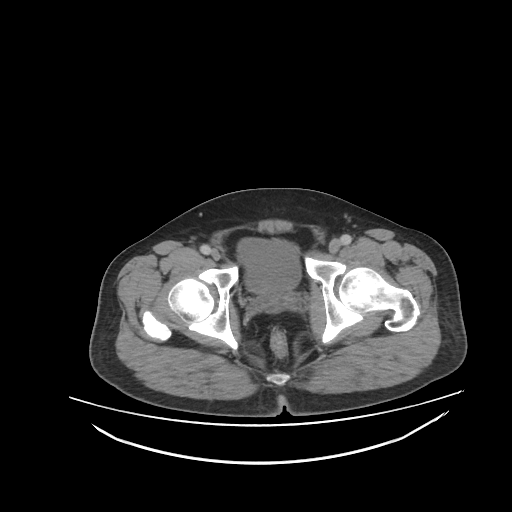
Computed tomography, abdomen; Axial slice 20/96; abdomen soft-tissue window
Coordinates as <box>x1,y1,x2,y2</box> in pixels.
Organ bounding boxes:
- bladder: <box>236,237,299,291</box>
- prostate/uterus: <box>265,288,288,300</box>